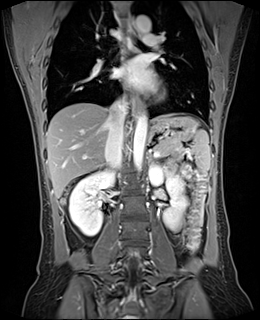 Abdominal MRI · coronal acquisition · 260x320 px
Coordinates as <box>x1,y1,x2,y2</box> in pixels.
inferior vena cava: <box>105,98,127,168</box>
right kidney: <box>69,171,113,235</box>
spleen: <box>190,129,210,174</box>
left adrenal gland: <box>148,155,151,162</box>
esophagus: <box>133,94,141,114</box>
left kidney: <box>149,165,186,227</box>
pancreas: <box>155,141,181,156</box>
liver: <box>46,102,175,197</box>
stomach: <box>148,116,198,143</box>
aorta: <box>133,112,147,173</box>
aorta: <box>136,16,150,32</box>